Abdominal CT reaching into the chest; this slice is in the chest. axial view. 512x512 px
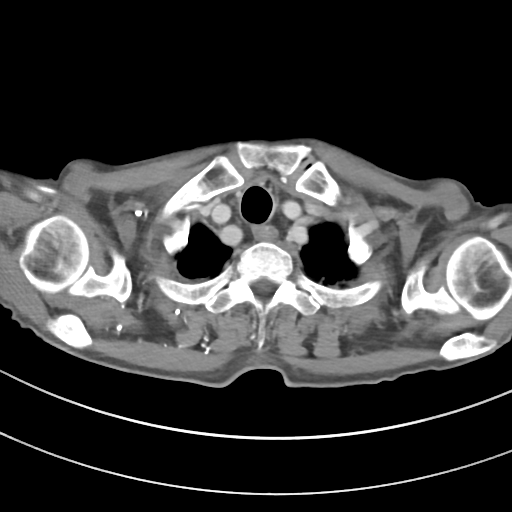

At this level of the chest no structure but the esophagus and the aorta has a label in this dataset, and those two are boxed only where they are labeled.
Organ boxes in pixel coordinates; each row gives the top-left (x1, y1) and bottom-right (x2, y2) corners.
| organ | x1 | y1 | x2 | y2 |
|---|---|---|---|---|
| esophagus | 253 | 226 | 276 | 238 |